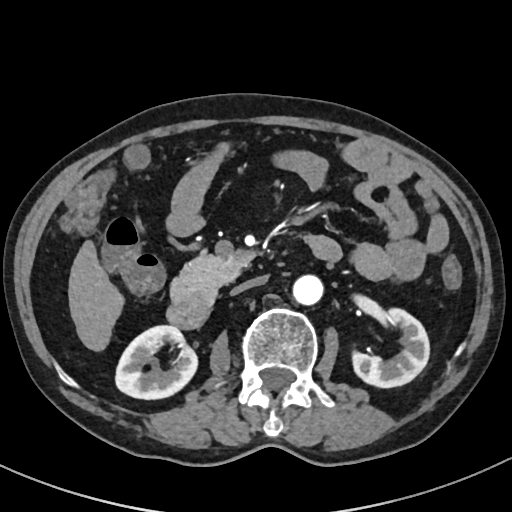 Computed tomography, abdomen · axial view
<organs><organ name="left kidney" x1="350" y1="309" x2="428" y2="387"/><organ name="liver" x1="68" y1="240" x2="126" y2="352"/><organ name="inferior vena cava" x1="231" y1="277" x2="265" y2="294"/><organ name="duodenum" x1="165" y1="289" x2="215" y2="327"/><organ name="right kidney" x1="115" y1="325" x2="198" y2="399"/><organ name="pancreas" x1="169" y1="253" x2="251" y2="300"/><organ name="aorta" x1="291" y1="275" x2="322" y2="306"/></organs>